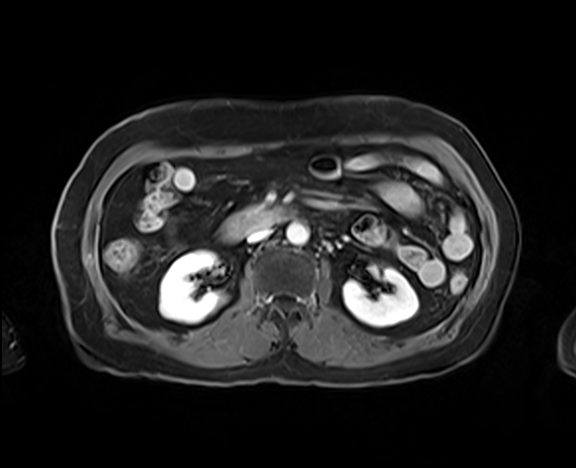 MRI, abdomen · axial view · acquired on Prisma · 13 organs annotated in this scan (that count is for the whole scan; organs this slice misses have no box)
Bounding boxes in pixels, one row per box: x1, y1 is the top-left corner and x2, y2 the bottom-right.
| organ | x1 | y1 | x2 | y2 |
|---|---|---|---|---|
| right kidney | 159 | 251 | 225 | 323 |
| left kidney | 343 | 266 | 418 | 327 |
| aorta | 286 | 223 | 308 | 245 |
| inferior vena cava | 247 | 228 | 271 | 242 |
| duodenum | 223 | 207 | 288 | 240 |